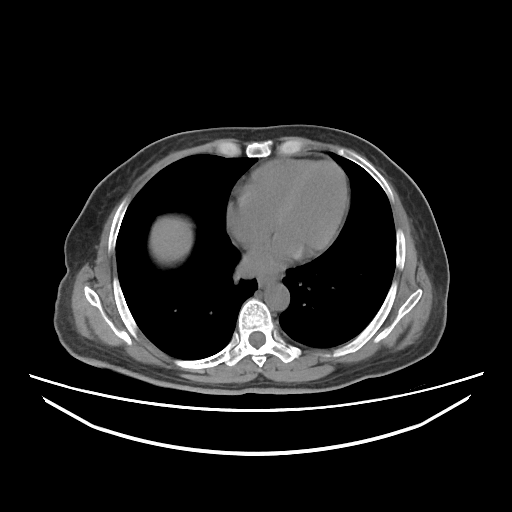
CT abdomen. axial view. 49-year-old female patient
Bounding boxes in pixels, one row per box: x1, y1 is the top-left corner and x2, y2 the bottom-right.
| organ | x1 | y1 | x2 | y2 |
|---|---|---|---|---|
| esophagus | 258 | 272 | 280 | 287 |
| liver | 149 | 215 | 193 | 265 |
| aorta | 264 | 282 | 289 | 310 |